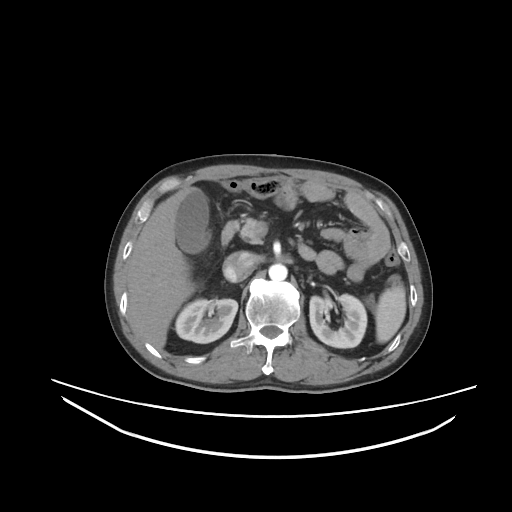 Computed tomography, abdomen — axial plane, index 70 — soft-tissue window (W 400 / L 40) — 52-year-old male patient
Organ boxes in pixel coordinates; each row gives the top-left (x1, y1) and bottom-right (x2, y2) corners.
| organ | x1 | y1 | x2 | y2 |
|---|---|---|---|---|
| spleen | 374 | 284 | 406 | 343 |
| right kidney | 175 | 298 | 237 | 343 |
| left kidney | 309 | 294 | 366 | 348 |
| gall bladder | 175 | 189 | 210 | 253 |
| liver | 126 | 186 | 196 | 349 |
| aorta | 268 | 264 | 287 | 280 |
| inferior vena cava | 223 | 251 | 255 | 282 |
| pancreas | 240 | 218 | 262 | 243 |
| duodenum | 221 | 220 | 239 | 245 |